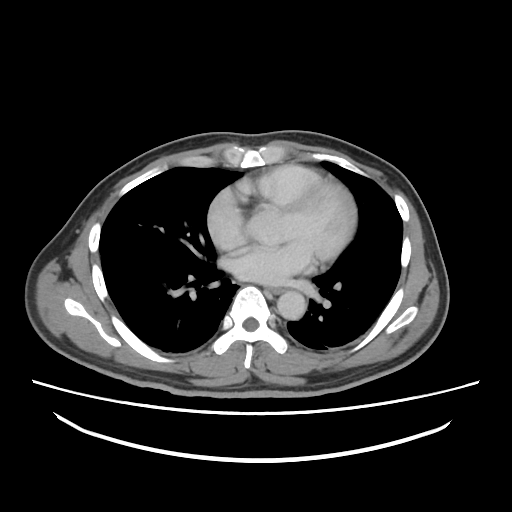
Lower-chest slice from an abdominal CT, just above the liver and spleen — axial plane, index 103 — W/L 400/40 HU
Of the structures in the chest, this dataset labels only the esophagus, the aorta and the inferior vena cava; the heart and lungs have no label. Coordinates as <box>x1,y1,x2,y2</box> in pixels. The annotated organs in this slice are: esophagus at <box>266,287,283,294</box>, aorta at <box>277,290,306,320</box>.